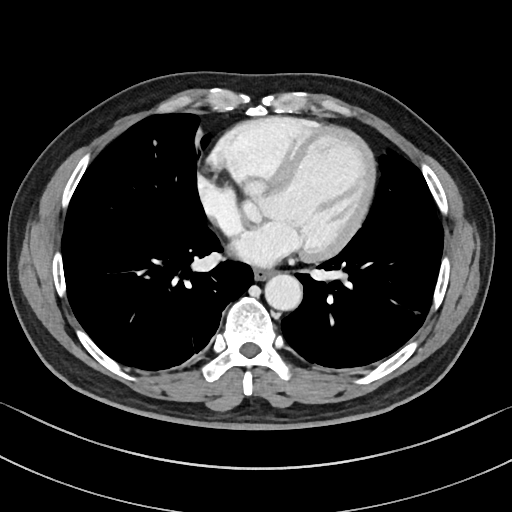
Lower-chest slice from an abdominal CT, just above the liver and spleen — axial view — soft-tissue window — SOMATOM Force scanner
The heart and lungs are never labeled in this dataset, so they have no box on this slice.
<organs><organ name="esophagus" x1="254" y1="267" x2="273" y2="279"/><organ name="aorta" x1="264" y1="273" x2="301" y2="309"/></organs>